CT, abdomen/pelvis · axial view · soft-tissue window · 512x512 px · SOMATOM Force scanner
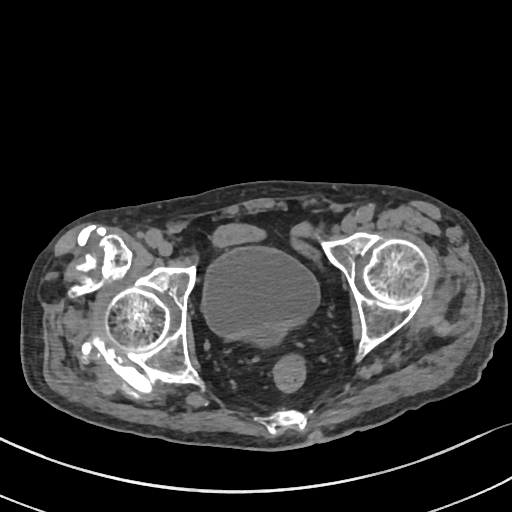
Coordinates as <box>x1,y1,x2,y2</box> in pixels.
bladder: <box>202,246,319,345</box>